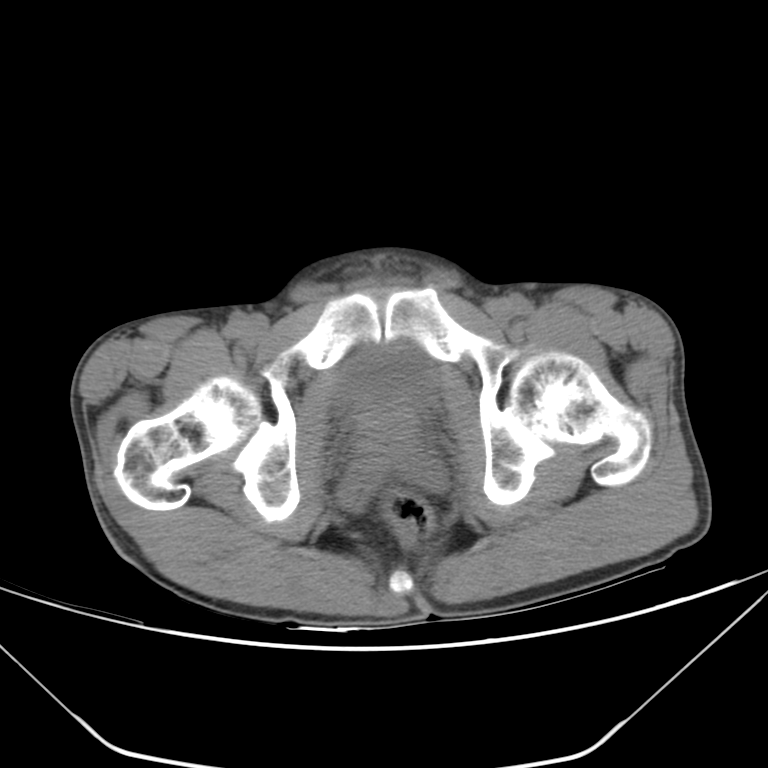 Abdominal CT. Axial slice 15/85. 768x768 px. acquired on Brilliance16
Each box given as x1,y1,x2,y2. Labeled organs on this slice: bladder at x1=342, y1=349, x2=435, y2=405, prostate/uterus at x1=355, y1=399, x2=418, y2=455.